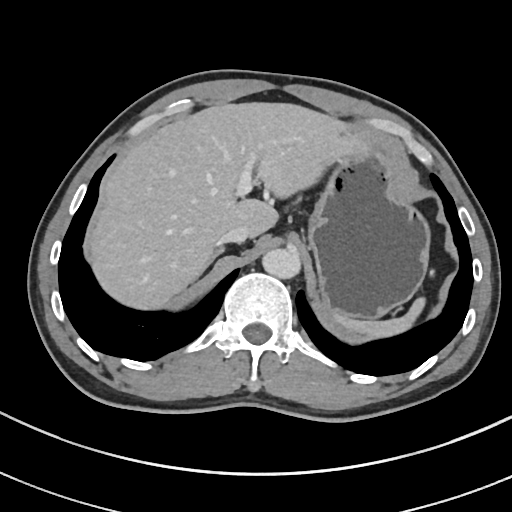
CT abdomen — Axial slice 154/298 — abdomen soft-tissue window — 512x512 px
Each box given as x1,y1,x2,y2.
Organ bounding boxes:
- aorta: x1=262, y1=247, x2=301, y2=280
- right adrenal gland: x1=212, y1=249, x2=222, y2=261
- stomach: x1=307, y1=143, x2=429, y2=319
- inferior vena cava: x1=218, y1=225, x2=249, y2=244
- spleen: x1=337, y1=298, x2=423, y2=335
- liver: x1=89, y1=103, x2=359, y2=305